Computed tomography, abdomen; axial plane, index 8; soft-tissue window; scan has 15 labeled organs (counted over the whole 3D scan, not this slice; an organ is boxed only where this slice passes through it)
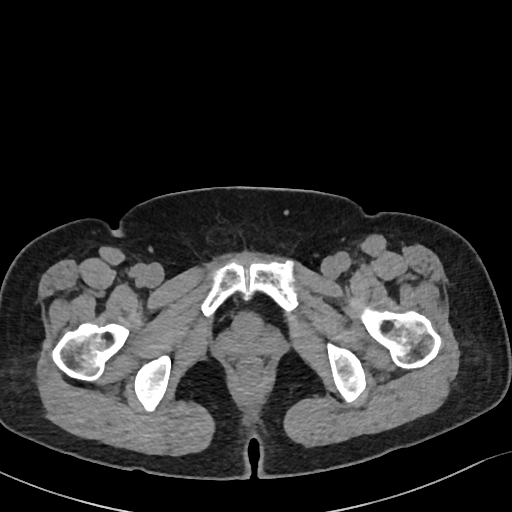

Bounding boxes in pixels, one row per box: x1, y1 is the top-left corner and x2, y2 the bottom-right.
| organ | x1 | y1 | x2 | y2 |
|---|---|---|---|---|
| bladder | 232 | 313 | 262 | 339 |